Abdominal CT; axial view
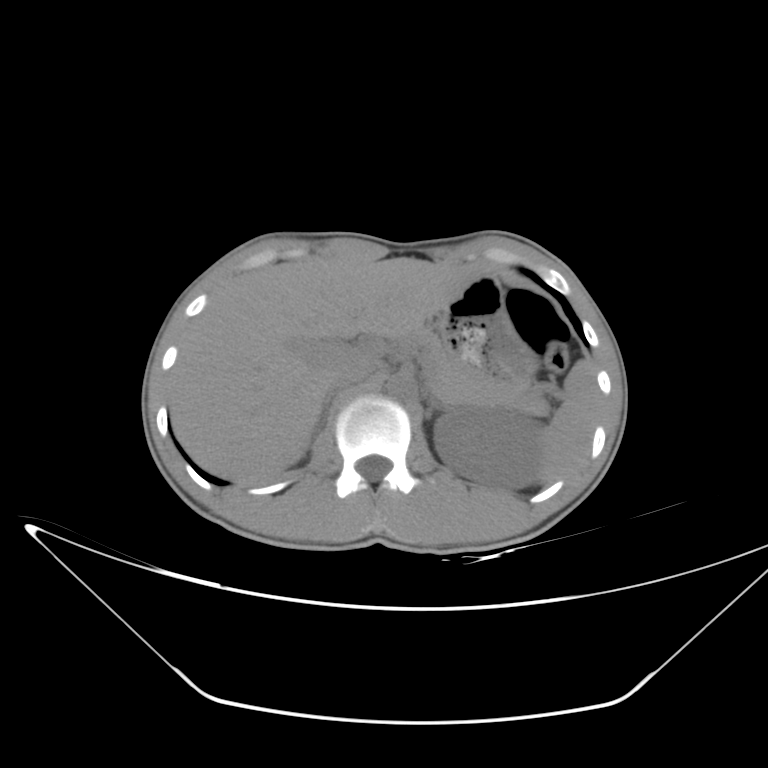 Boxes: x1 y1 x2 y2 (pixel coords, space-separated). The annotated organs in this slice are: spleen at 539 361 597 483, left kidney at 434 409 541 489, liver at 170 255 481 484, stomach at 437 276 537 380, aorta at 385 374 415 399, inferior vena cava at 328 361 376 393, pancreas at 416 328 546 412, right adrenal gland at 312 397 330 434, left adrenal gland at 428 403 447 415.